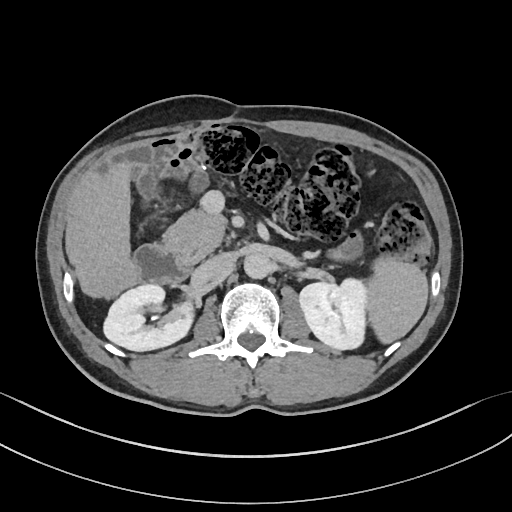 Abdominal CT; Axial slice 157/230; W/L 400/40 HU; 512x512 px
<organs><organ name="spleen" x1="367" y1="257" x2="428" y2="343"/><organ name="right kidney" x1="103" y1="284" x2="193" y2="350"/><organ name="left kidney" x1="299" y1="278" x2="366" y2="349"/><organ name="liver" x1="96" y1="162" x2="130" y2="254"/><organ name="aorta" x1="243" y1="251" x2="272" y2="278"/><organ name="inferior vena cava" x1="202" y1="252" x2="236" y2="279"/><organ name="pancreas" x1="164" y1="210" x2="224" y2="257"/><organ name="duodenum" x1="133" y1="245" x2="191" y2="285"/></organs>